CT of the abdomen extending into the chest, slice through the chest · axial plane, index 112
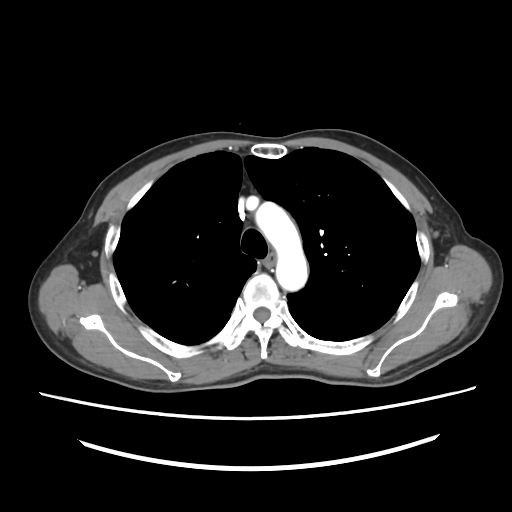
At this level of the chest this dataset labels only the esophagus and the aorta, and each is boxed only where it is labeled; the heart and lungs are never labeled.
Organ boxes in pixel coordinates; each row gives the top-left (x1, y1) and bottom-right (x2, y2) corners.
| organ | x1 | y1 | x2 | y2 |
|---|---|---|---|---|
| esophagus | 264 | 254 | 275 | 268 |
| aorta | 255 | 202 | 307 | 290 |